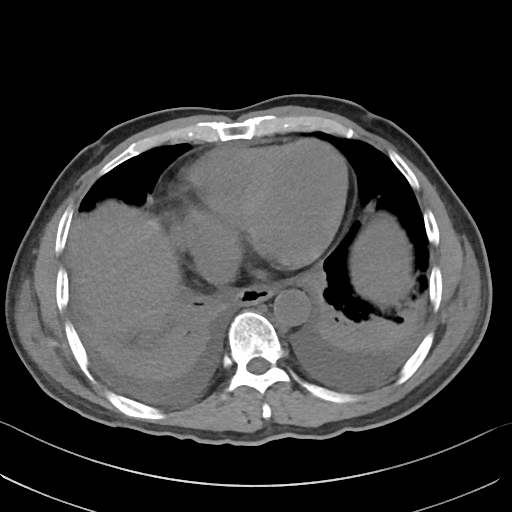 Lower-chest slice from an abdominal CT, just above the liver and spleen — Axial slice 90/100 — soft-tissue window (W 400 / L 40) — 15 organs annotated in this scan (that count is for the whole scan; organs this slice misses have no box)
The heart and lungs are never labeled in this dataset, so they have no box on this slice.
Coordinates as <box>x1,y1,x2,y2</box> in pixels.
Organ bounding boxes:
- esophagus: <box>235,284,274,305</box>
- aorta: <box>273,289,310,325</box>
- inferior vena cava: <box>209,276,217,280</box>